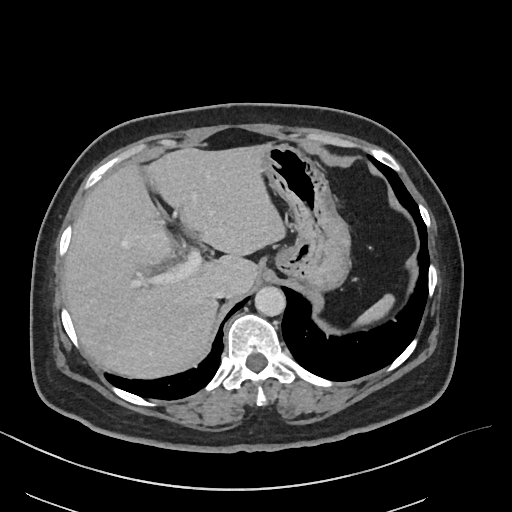 Computed tomography, abdomen. axial plane, index 194. soft-tissue window (W 400 / L 40). 512x512 px
Coordinates as <box>x1,y1,x2,y2</box> in pixels. The annotated organs in this slice are: spleen at <box>357,294,394,325</box>, liver at <box>64,143,286,377</box>, stomach at <box>265,145,351,288</box>, aorta at <box>254,286,285,316</box>, inferior vena cava at <box>212,281,226,298</box>.